CT, abdomen/pelvis. axial view. abdomen soft-tissue window. 61-year-old male patient
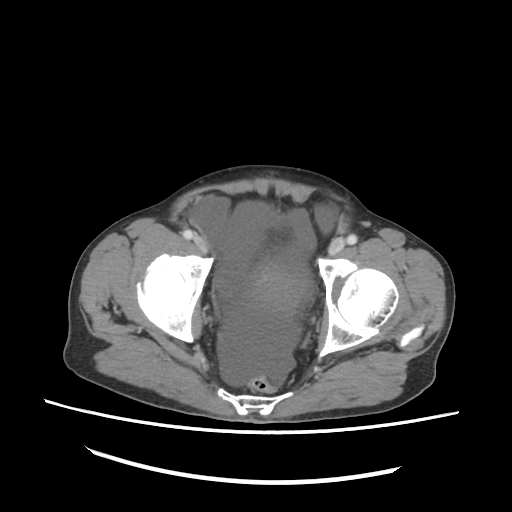
Organ boxes in pixel coordinates; each row gives the top-left (x1, y1) and bottom-right (x2, y2) corners.
| organ | x1 | y1 | x2 | y2 |
|---|---|---|---|---|
| bladder | 246 | 262 | 309 | 308 |